CT abdomen. Axial slice 52/90. 768x768 px. 59-year-old male patient
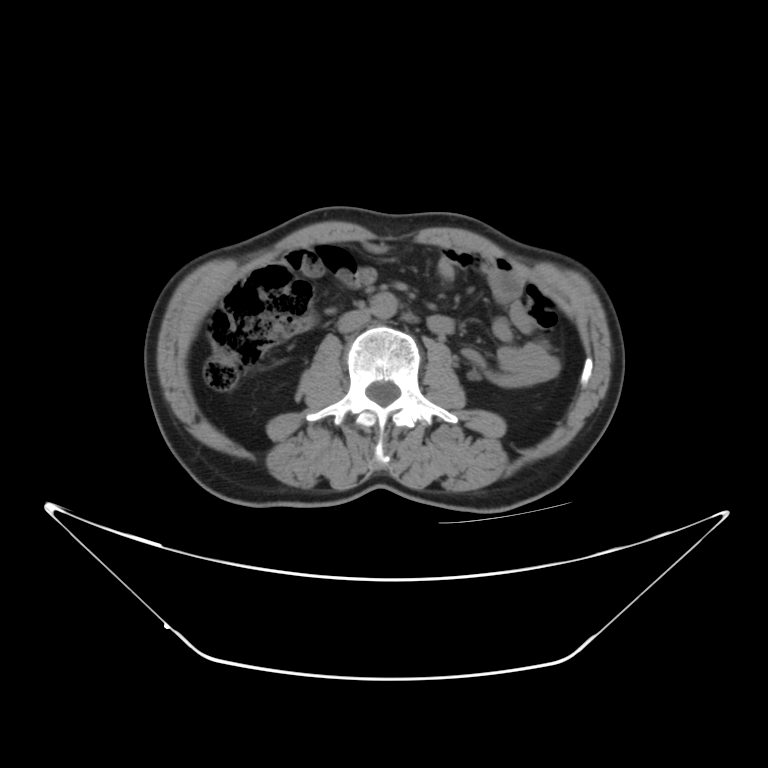 Bounding boxes as [x1, y1, x2, y2] in pixel coordinates.
inferior vena cava: [334, 311, 369, 332]
aorta: [371, 291, 397, 320]